Abdominal CT; axial view; 512x512 px; SOMATOM Force scanner
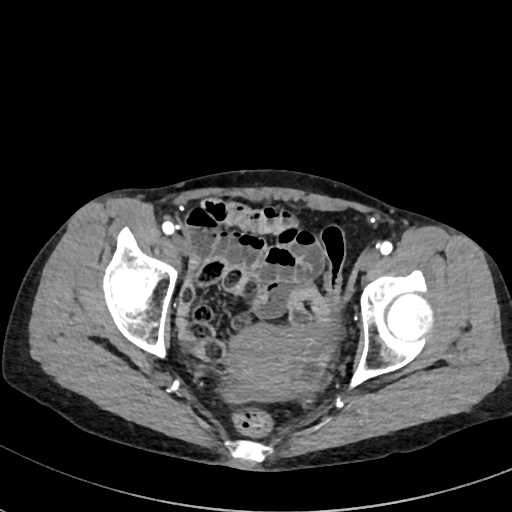

<organs><organ name="prostate/uterus" x1="228" y1="325" x2="305" y2="398"/></organs>